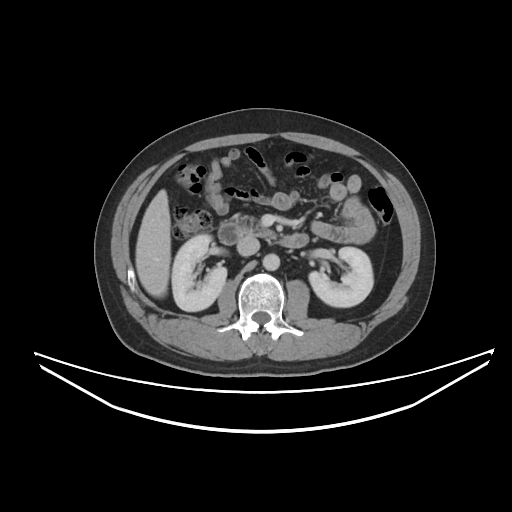
Abdominal CT. Axial slice 60/131. 40-year-old male patient. acquired on Aquilion ONE
Bounding boxes in pixels, one row per box: x1, y1 is the top-left corner and x2, y2 the bottom-right.
| organ | x1 | y1 | x2 | y2 |
|---|---|---|---|---|
| right kidney | 172 | 234 | 226 | 311 |
| left kidney | 309 | 247 | 373 | 307 |
| liver | 135 | 189 | 170 | 297 |
| aorta | 262 | 253 | 279 | 270 |
| inferior vena cava | 237 | 235 | 259 | 255 |
| pancreas | 238 | 215 | 272 | 236 |
| duodenum | 218 | 223 | 308 | 248 |